CT of the abdomen reaching into the lower chest, slice just above the liver and spleen; axial view; soft-tissue window (W 400 / L 40); 512x512 px
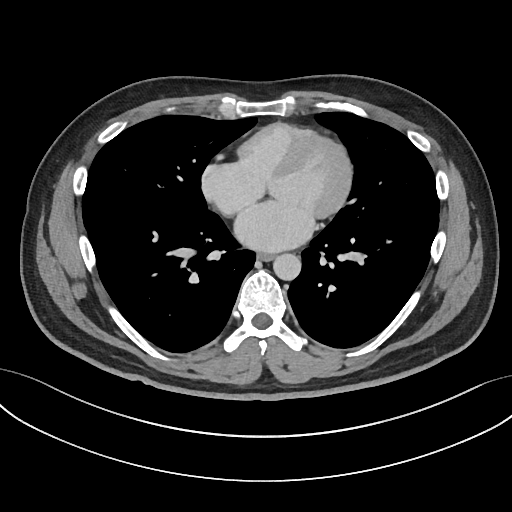
No part of the heart or lungs is labeled in this dataset, so neither has a box here.
<organs><organ name="esophagus" x1="257" y1="252" x2="274" y2="260"/><organ name="aorta" x1="273" y1="253" x2="301" y2="280"/></organs>